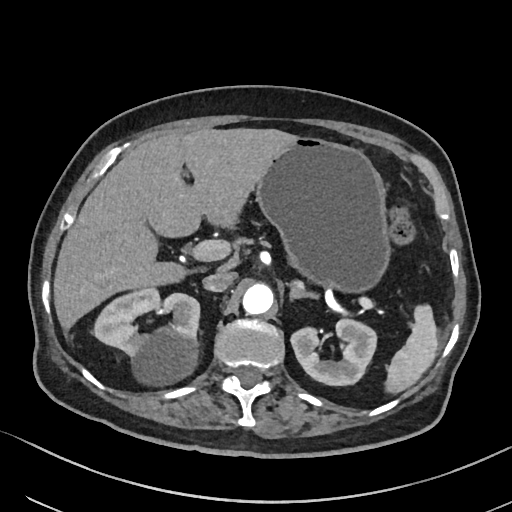

Computed tomography, abdomen; Axial slice 172/297; acquired on SOMATOM Force
Boxes: x1 y1 x2 y2 (pixel coords, space-separated).
spleen: 387 307 437 391
right kidney: 94 287 199 386
left kidney: 292 318 378 385
liver: 53 128 294 328
stomach: 256 135 387 290
aorta: 243 282 273 314
inferior vena cava: 203 271 236 292
left adrenal gland: 289 287 317 299